CT, abdomen/pelvis · axial plane, index 39 · 512x512 px · 15 organs annotated in this scan (a whole-scan count: organs this slice does not pass through have no box)
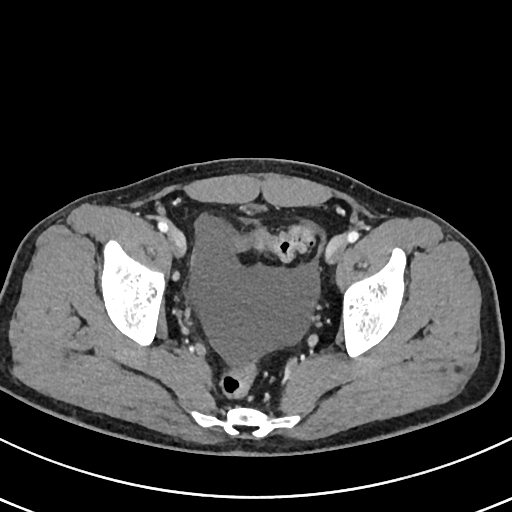 Boxes: x1 y1 x2 y2 (pixel coords, space-separated).
Organ bounding boxes:
- bladder: 242 203 266 210